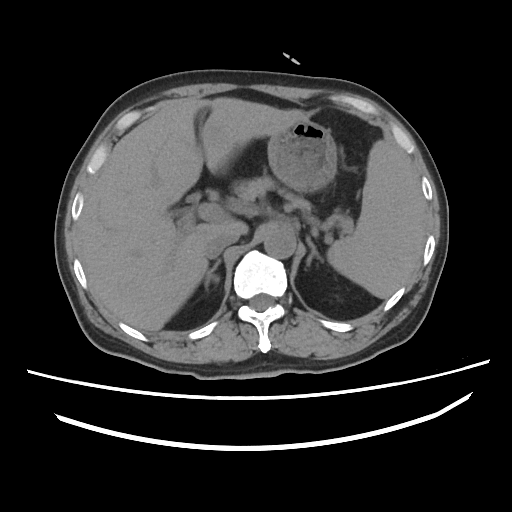 CT abdomen. axial plane, index 79. 48-year-old male patient. 15 organs annotated in this scan (a whole-scan count: organs this slice does not pass through have no box)
Bounding boxes as [x1, y1, x2, y2] in pixel coordinates.
Organ bounding boxes:
- spleen: [327, 140, 426, 298]
- liver: [83, 97, 302, 331]
- stomach: [267, 120, 337, 192]
- aorta: [264, 228, 296, 258]
- inferior vena cava: [204, 231, 238, 258]
- pancreas: [235, 175, 313, 211]
- right adrenal gland: [204, 259, 220, 289]
- left adrenal gland: [306, 236, 323, 265]